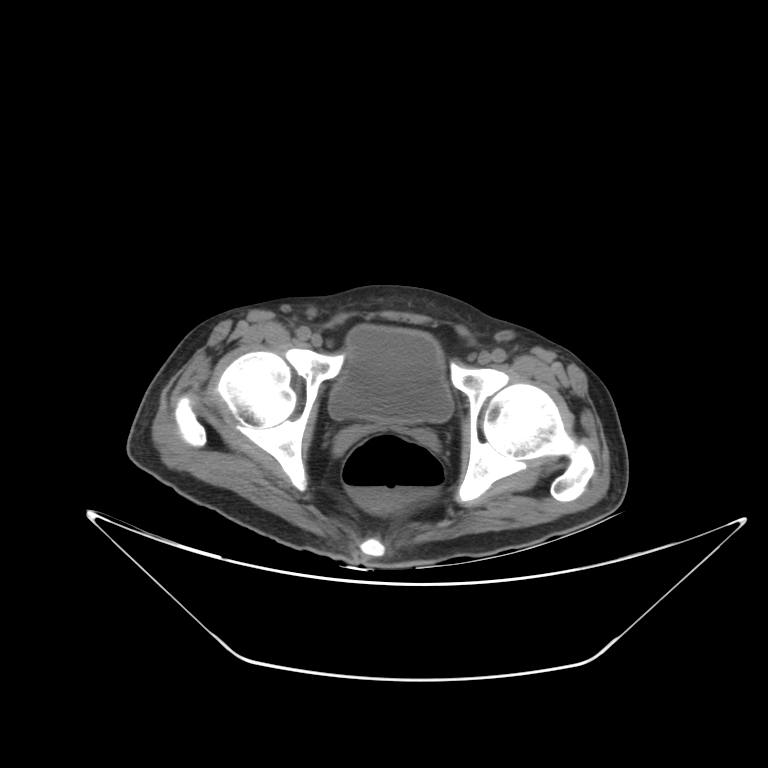 Computed tomography, abdomen — Axial slice 15/101 — 768x768 px
Each box given as x1,y1,x2,y2.
bladder: x1=328, y1=325, x2=453, y2=422